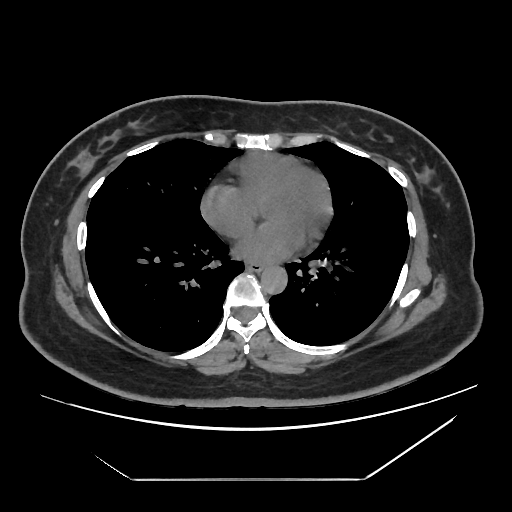
Abdominal CT; this slice is in the lower chest, just above the liver · Axial slice 338/345 · soft-tissue window (W 400 / L 40) · 512x512 px · acquired on SOMATOM Force · 15 organs annotated in this scan (that count is for the whole scan; organs this slice misses have no box)
The heart and lungs are never labeled in this dataset, so they have no box on this slice. Boxes are (x1, y1, x2, y2) in pixels. 2 labeled organs on this slice — esophagus at (247, 264, 262, 271); aorta at (261, 267, 287, 294).